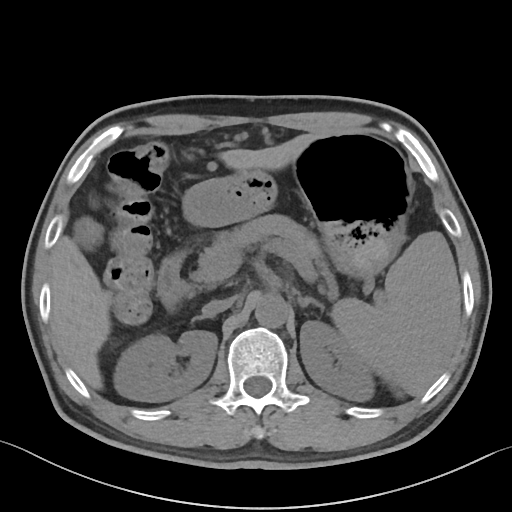
Abdominal CT — axial view — soft-tissue window — 512x512 px
One row per box, in pixels: columns x1 and y1 give the top-left corner, x2 and y2 the bottom-right.
| organ | x1 | y1 | x2 | y2 |
|---|---|---|---|---|
| left kidney | 300 | 320 | 374 | 401 |
| pancreas | 195 | 214 | 323 | 281 |
| liver | 51 | 133 | 444 | 389 |
| duodenum | 158 | 251 | 191 | 308 |
| aorta | 255 | 296 | 288 | 328 |
| inferior vena cava | 201 | 298 | 233 | 316 |
| left adrenal gland | 298 | 296 | 324 | 311 |
| spleen | 331 | 231 | 460 | 395 |
| right kidney | 113 | 330 | 217 | 401 |
| stomach | 183 | 132 | 412 | 277 |
| right adrenal gland | 192 | 315 | 212 | 321 |